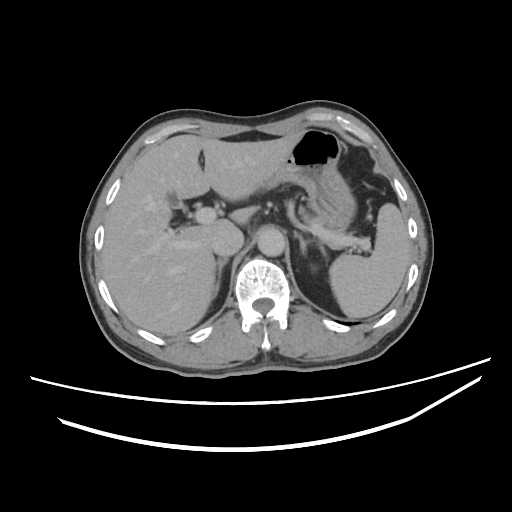
Abdominal CT. axial view. soft-tissue window. Aquilion ONE scanner
Boxes: x1:y1:x2:y2 in pixels. 9 labeled organs on this slice — liver at 102:135:298:336; aorta at 257:227:285:256; right adrenal gland at 210:257:227:298; spleen at 329:204:410:318; inferior vena cava at 211:225:243:256; pancreas at 299:207:346:234; stomach at 260:129:353:229; gall bladder at 166:192:180:210; left adrenal gland at 294:230:309:253.